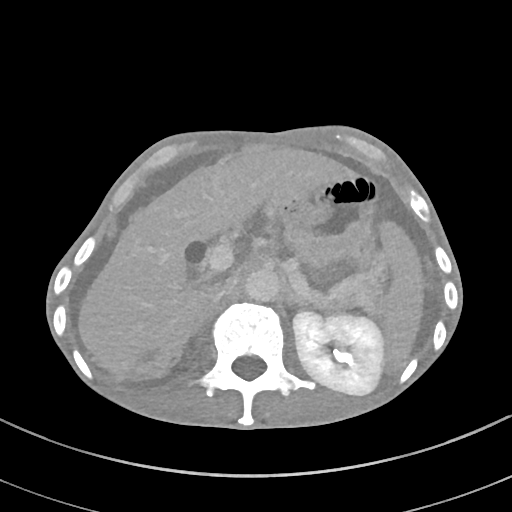
Computed tomography, abdomen — axial view — 512x512 px
<organs><organ name="spleen" x1="381" y1="222" x2="423" y2="370"/><organ name="left kidney" x1="293" y1="311" x2="383" y2="395"/><organ name="liver" x1="79" y1="148" x2="355" y2="370"/><organ name="stomach" x1="272" y1="192" x2="379" y2="265"/><organ name="aorta" x1="244" y1="268" x2="280" y2="302"/><organ name="inferior vena cava" x1="204" y1="283" x2="224" y2="301"/><organ name="pancreas" x1="308" y1="275" x2="380" y2="311"/><organ name="left adrenal gland" x1="287" y1="293" x2="307" y2="307"/></organs>